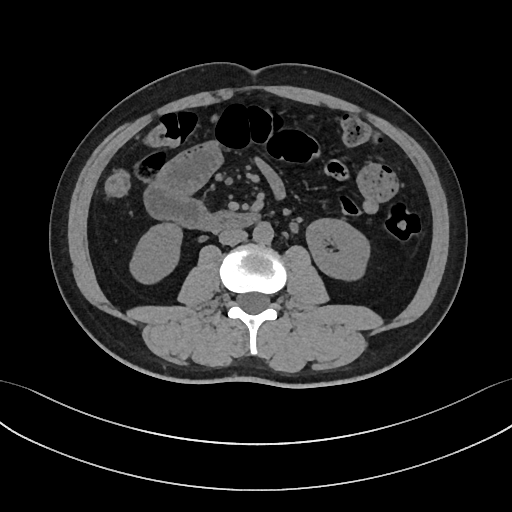

CT, abdomen/pelvis; axial plane, index 130; abdomen soft-tissue window; 512x512 px
Boxes: x1:y1:x2:y2 in pixels.
left kidney: 306:218:371:279
duodenum: 194:211:260:232
right kidney: 130:223:182:284
inferior vena cava: 219:229:246:245
aorta: 252:223:273:244